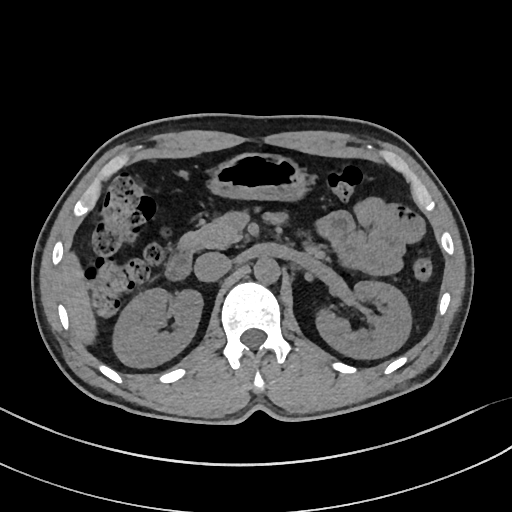 CT abdomen. axial view. W/L 400/40 HU. 512x512 px. SOMATOM Force scanner
Bounding boxes as [x1, y1, x2, y2] in pixel coordinates.
right kidney: [114, 289, 203, 367]
left kidney: [316, 280, 410, 359]
liver: [60, 251, 94, 345]
stomach: [210, 152, 303, 201]
aorta: [254, 257, 280, 285]
inferior vena cava: [194, 252, 231, 282]
pancreas: [178, 209, 327, 256]
duodenum: [164, 248, 191, 282]